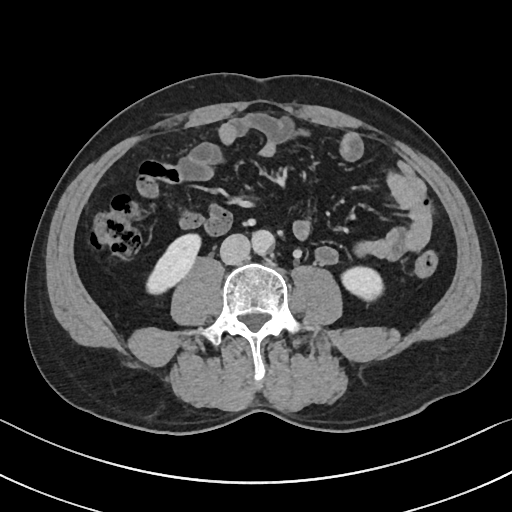 Computed tomography, abdomen. Axial slice 97/291. soft-tissue window (W 400 / L 40)
Each box given as x1,y1,x2,y2.
Organ bounding boxes:
- right kidney: x1=146, y1=233, x2=200, y2=294
- left kidney: x1=341, y1=266, x2=383, y2=300
- aorta: x1=251, y1=230, x2=274, y2=254
- inferior vena cava: x1=220, y1=234, x2=250, y2=264